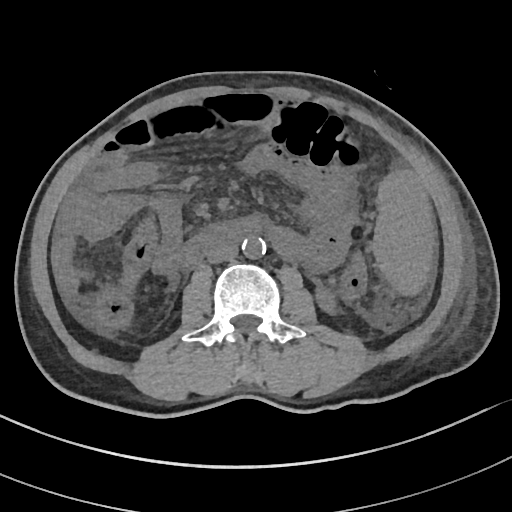 CT, abdomen/pelvis; axial view
Bounding boxes in pixels, one row per box: x1, y1 is the top-left corner and x2, y2 the bottom-right.
| organ | x1 | y1 | x2 | y2 |
|---|---|---|---|---|
| spleen | 371 | 171 | 433 | 295 |
| left kidney | 316 | 288 | 337 | 313 |
| aorta | 242 | 235 | 265 | 258 |
| inferior vena cava | 206 | 243 | 237 | 263 |
| duodenum | 183 | 216 | 259 | 267 |